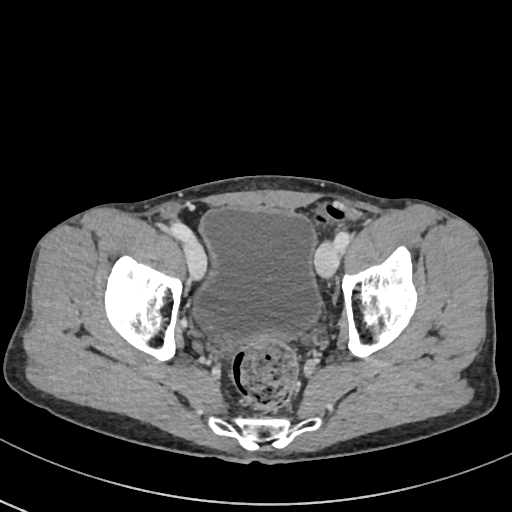
CT abdomen; axial view; 512x512 px; acquired on SOMATOM Force; scan has 15 labeled organs (a whole-scan count: organs this slice does not pass through have no box)
{"organs":{"bladder":[193,207,322,341]}}